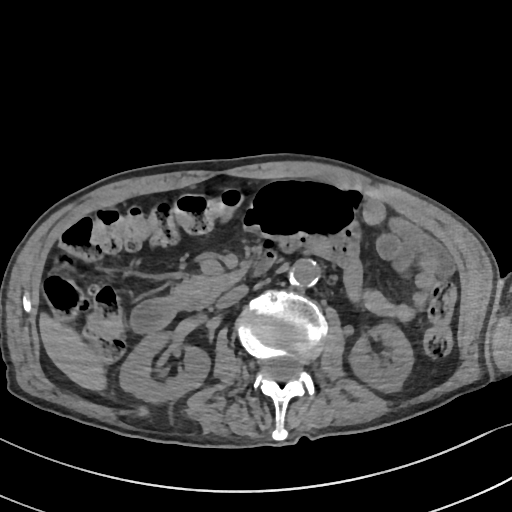 CT, abdomen/pelvis — axial view — abdomen soft-tissue window — scan has 15 labeled organs (a whole-scan count: organs this slice does not pass through have no box)
{"organs":{"inferior vena cava":[216,285,247,308],"duodenum":[130,249,276,333],"pancreas":[169,270,243,309],"liver":[39,314,106,390],"left kidney":[349,322,413,392],"right kidney":[119,333,209,402],"aorta":[289,259,319,288]}}